Abdominal CT; axial view; abdomen soft-tissue window; 15 organs annotated in this scan (counted over the whole 3D scan, not this slice; an organ is boxed only where this slice passes through it)
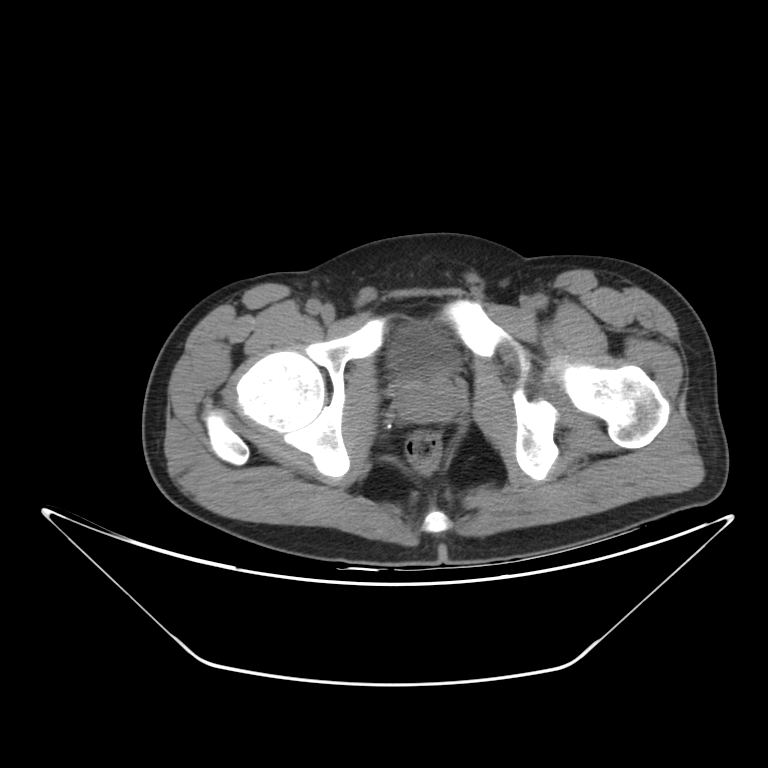 Boxes: x1 y1 x2 y2 (pixel coords, space-separated).
bladder: 390 322 456 380
prostate/uterus: 396 376 463 421